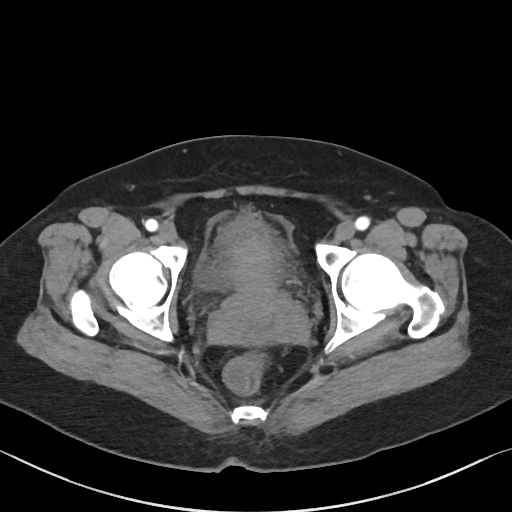 CT, abdomen/pelvis — axial plane, index 9 — abdomen soft-tissue window — 512x512 px — scan has 15 labeled organs (that count is for the whole scan; organs this slice misses have no box)
<organs><organ name="bladder" x1="210" y1="214" x2="265" y2="282"/><organ name="prostate/uterus" x1="210" y1="233" x2="304" y2="344"/></organs>